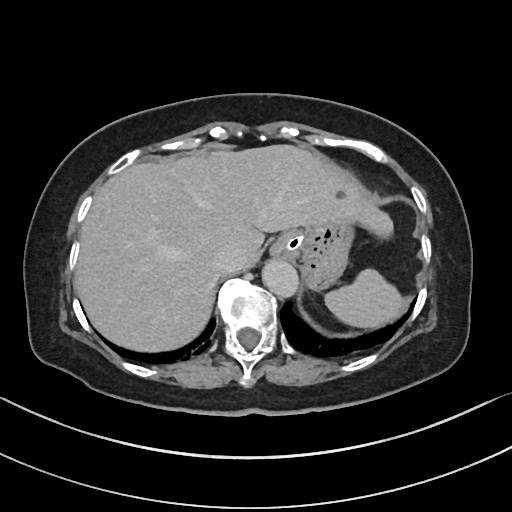
CT abdomen · axial plane, index 180 · scan has 15 labeled organs (counted over the whole 3D scan, not this slice; an organ is boxed only where this slice passes through it)
{"organs":{"spleen":[325,269,406,327],"esophagus":[270,231,296,257],"liver":[74,144,392,351],"stomach":[280,222,354,289],"aorta":[262,259,298,297],"inferior vena cava":[212,244,241,272]}}